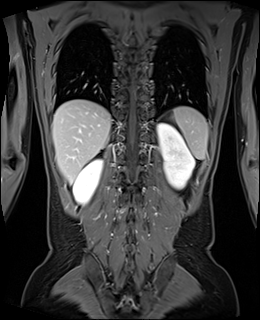 MRI, abdomen · Coronal slice 50/144 · percentile-normalized
{"organs":{"spleen":[172,106,207,159],"right kidney":[73,159,102,204],"left kidney":[157,123,194,188],"liver":[52,99,111,183]}}